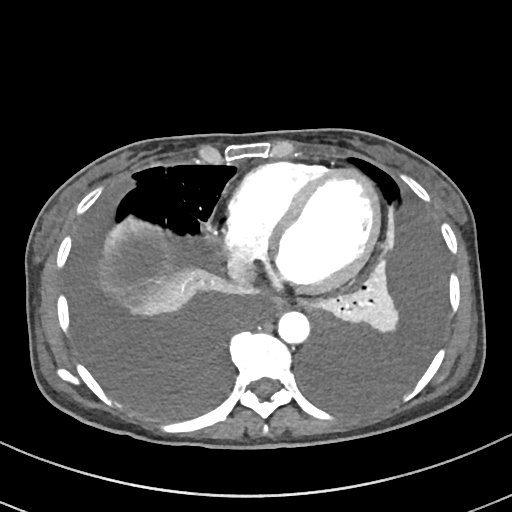 Abdominal CT; this slice is in the lower chest, just above the liver — axial view — W/L 400/40 HU — 512x512 px
Of the structures in the chest, this dataset labels only the esophagus, the aorta and the inferior vena cava; the heart and lungs have no label.
Coordinates as <box>x1,y1,x2,y2</box> in pixels.
Organ bounding boxes:
- esophagus: <box>273,297,289,311</box>
- aorta: <box>278,311,310,343</box>
- inferior vena cava: <box>228,257,255,284</box>